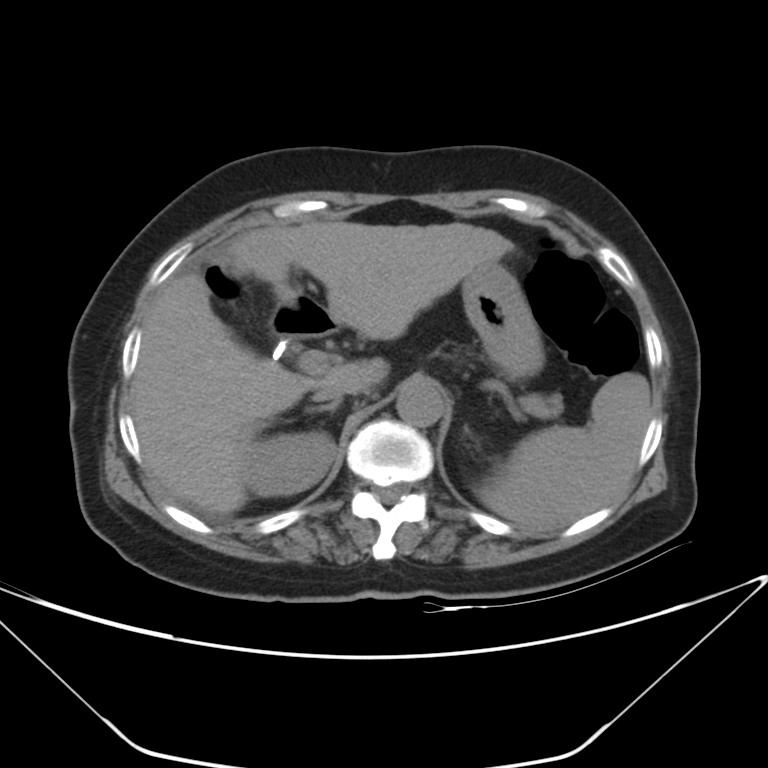

Computed tomography, abdomen. axial view. soft-tissue window. Brilliance16 scanner
Coordinates as <box>x1,y1,x2,y2</box> in pixels.
Organ bounding boxes:
- spleen: <box>478,372,650,532</box>
- right kidney: <box>244,431,336,496</box>
- liver: <box>131,221,514,514</box>
- stomach: <box>462,262,543,373</box>
- aorta: <box>396,381,443,427</box>
- inferior vena cava: <box>313,383,348,401</box>
- pancreas: <box>525,394,562,417</box>
- right adrenal gland: <box>305,400,341,414</box>
- duodenum: <box>269,298,337,340</box>